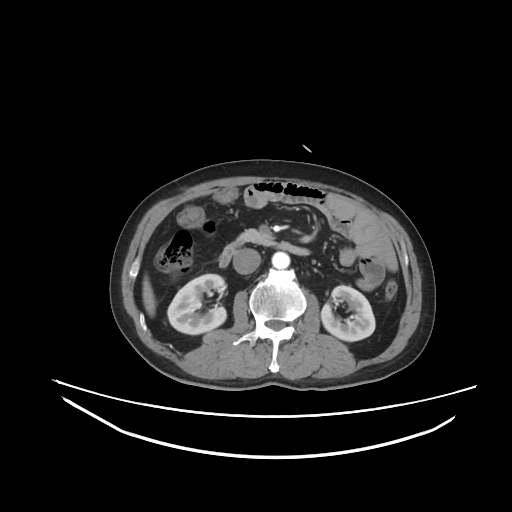

Computed tomography, abdomen · Axial slice 64/134 · soft-tissue window (W 400 / L 40) · 52-year-old male patient
Bounding boxes as [x1, y1, x2, y2] in pixel coordinates.
Organ bounding boxes:
- right kidney: [167, 274, 226, 334]
- pancreas: [237, 229, 273, 245]
- left kidney: [321, 285, 375, 341]
- duodenum: [219, 241, 309, 266]
- liver: [142, 276, 155, 316]
- aorta: [272, 251, 289, 268]
- inferior vena cava: [233, 248, 260, 274]